CT abdomen — Axial slice 60/92 — 63-year-old female patient
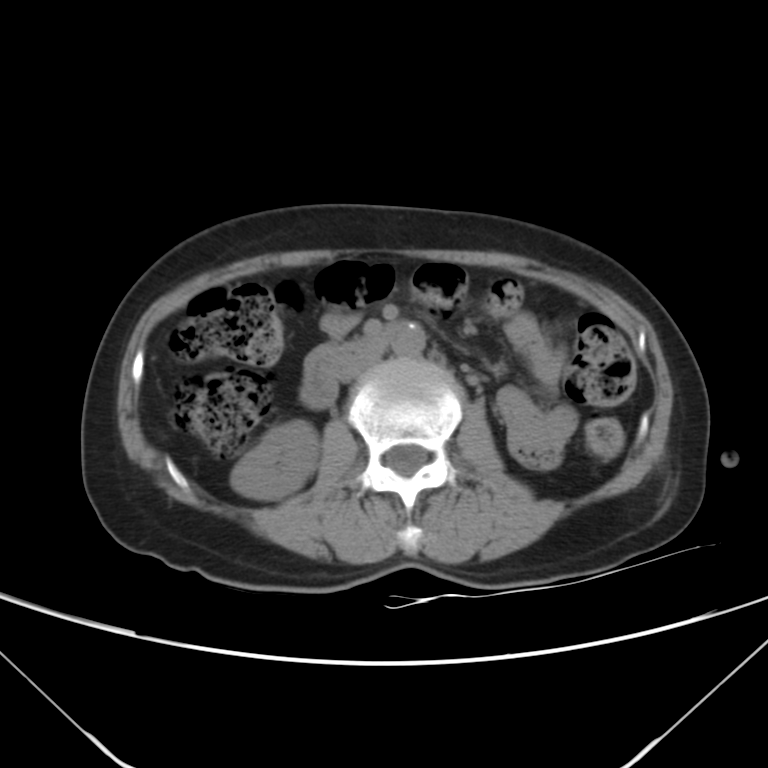
Box edges are left/top/right/bottom in pixels.
Organ bounding boxes:
- right kidney: left=230, top=421, right=318, bottom=500
- aorta: left=391, top=323, right=425, bottom=357
- inferior vena cava: left=337, top=347, right=383, bottom=381
- duodenum: left=300, top=322, right=399, bottom=407